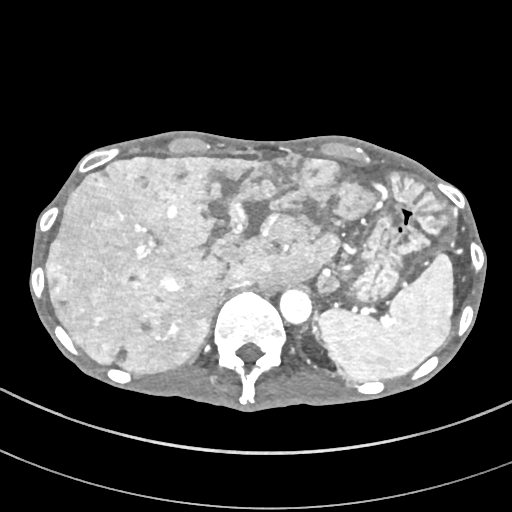

CT abdomen. Axial slice 175/218. abdomen soft-tissue window. 15 organs annotated in this scan (that count is for the whole scan; organs this slice misses have no box)
Each box given as x1,y1,x2,y2.
Organ bounding boxes:
- spleen: x1=319, y1=253, x2=453, y2=381
- liver: x1=46, y1=154, x2=376, y2=373
- stomach: x1=348, y1=171, x2=453, y2=301
- aorta: x1=279, y1=288, x2=311, y2=323
- inferior vena cava: x1=217, y1=278, x2=254, y2=300